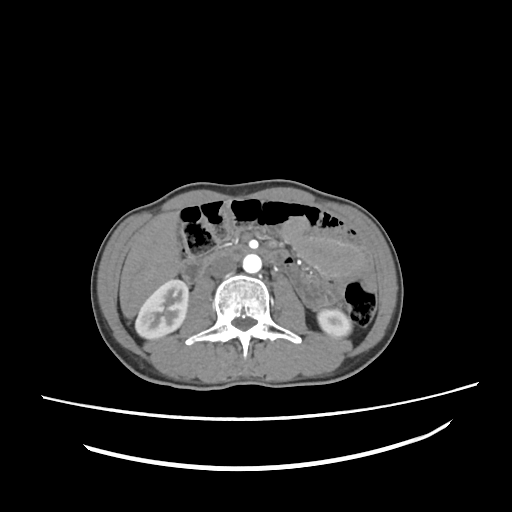 Abdominal CT — axial plane, index 57
Box edges are left/top/right/bottom in pixels.
left kidney: left=317, top=309, right=351, bottom=337
liver: left=119, top=213, right=180, bottom=318
duodenum: left=181, top=246, right=285, bottom=282
aorta: left=243, top=255, right=261, bottom=273
right kidney: left=135, top=279, right=188, bottom=339
inferior vena cava: left=208, top=257, right=237, bottom=277